Abdominal CT. axial view. soft-tissue window (W 400 / L 40). 37-year-old male patient. Brilliance16 scanner. 15 organs annotated in this scan (counted over the whole 3D scan, not this slice; an organ is boxed only where this slice passes through it)
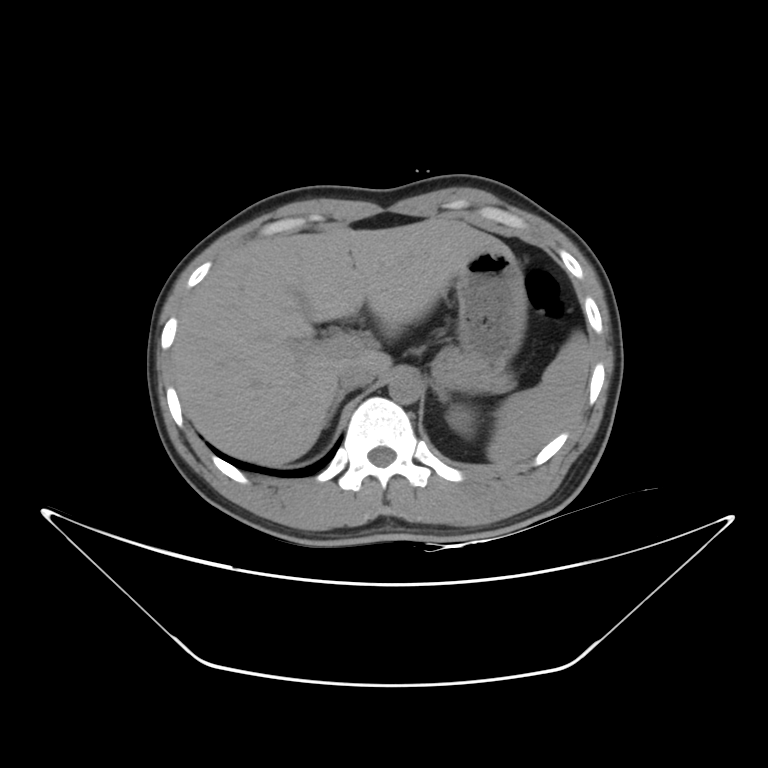

{"organs":{"pancreas":[437,346,515,393],"spleen":[486,331,590,464],"right adrenal gland":[330,387,354,417],"left adrenal gland":[431,382,450,402],"stomach":[455,250,527,365],"liver":[172,217,508,466],"inferior vena cava":[338,361,376,388],"aorta":[389,370,421,403],"left kidney":[446,404,470,436]}}